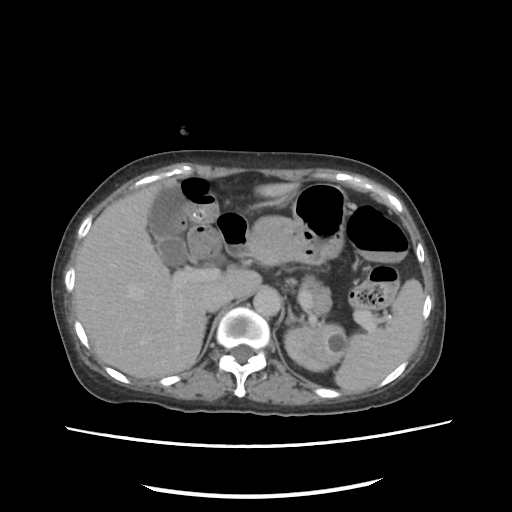

Computed tomography, abdomen — axial view — abdomen soft-tissue window — 512x512 px — acquired on Aquilion ONE
{"organs":{"spleen":[335,279,424,392],"left kidney":[284,324,345,371],"gall bladder":[148,185,187,266],"liver":[74,183,298,378],"stomach":[247,183,348,264],"aorta":[253,287,281,316],"inferior vena cava":[203,285,232,311],"pancreas":[301,275,331,315],"right adrenal gland":[206,317,208,323],"left adrenal gland":[286,307,302,324],"duodenum":[219,215,250,257]}}